CT of the abdomen extending into the chest, slice through the chest — axial view — W/L 400/40 HU — scan has 14 labeled organs (counted over the whole 3D scan, not this slice; an organ is boxed only where this slice passes through it)
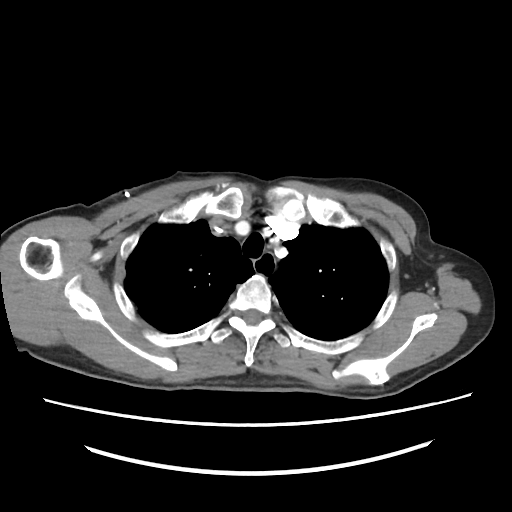

On a slice this high in the chest, this dataset labels only the esophagus and the aorta, and each is boxed only where it is labeled; the heart, lungs and other chest structures are not labeled.
Bounding boxes as [x1, y1, x2, y2] in pixel coordinates.
Organ bounding boxes:
- esophagus: [254, 252, 276, 277]